CT, abdomen/pelvis; axial plane, index 165; soft-tissue window; 15 organs annotated in this scan (counted over the whole 3D scan, not this slice; an organ is boxed only where this slice passes through it)
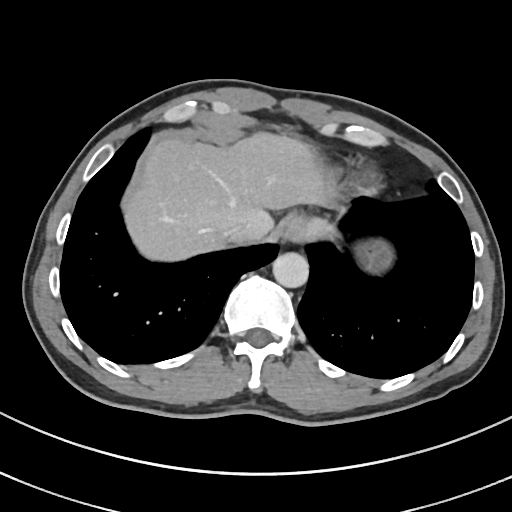

{"organs":{"esophagus":[280,215,304,245],"liver":[127,135,334,260],"stomach":[303,219,330,240],"aorta":[273,253,309,288],"inferior vena cava":[221,226,245,240]}}